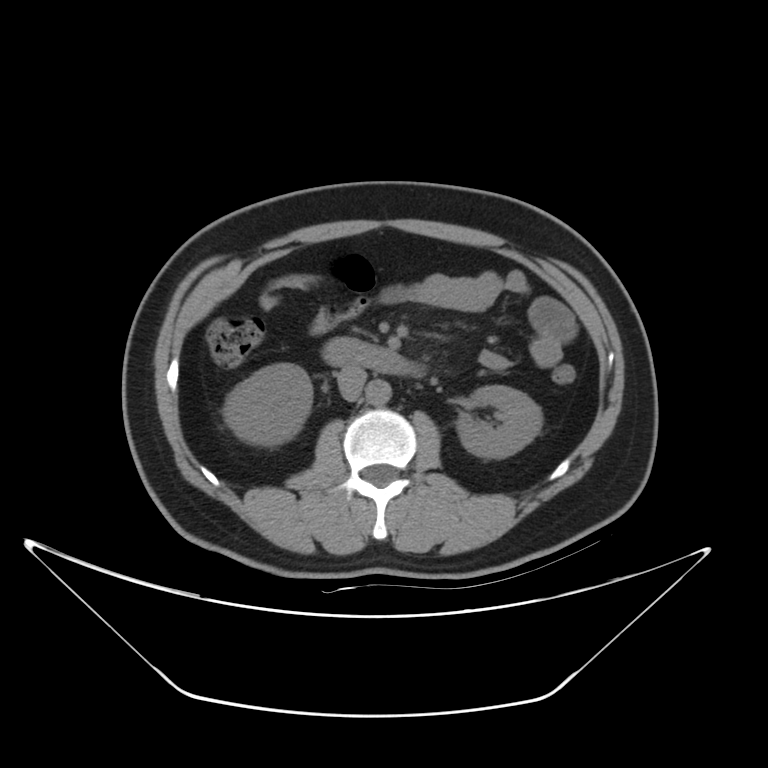

Computed tomography, abdomen · axial view · 768x768 px · 40-year-old male patient · scan has 15 labeled organs (counted over the whole 3D scan, not this slice; an organ is boxed only where this slice passes through it)
{"organs":{"duodenum":[322,336,423,378],"left kidney":[456,385,541,458],"inferior vena cava":[336,366,366,401],"right kidney":[223,363,312,445],"aorta":[366,380,391,405]}}